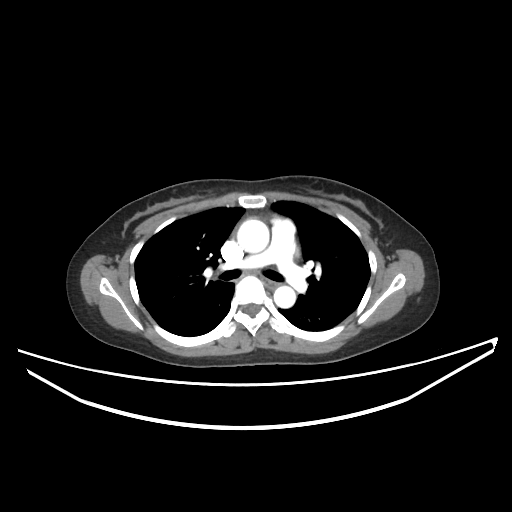
Chest-level CT slice, above the liver and spleen · Axial slice 107/126 · soft-tissue window (W 400 / L 40) · 512x512 px · scan has 15 labeled organs (a whole-scan count: organs this slice does not pass through have no box)
On a slice this high in the chest, this dataset labels only the esophagus and the aorta, and each is boxed only where it is labeled; the heart, lungs and other chest structures are not labeled.
Bounding boxes as [x1, y1, x2, y2] in pixel coordinates.
esophagus: [263, 281, 277, 288]
aorta: [237, 218, 269, 252]
aorta: [273, 286, 295, 308]